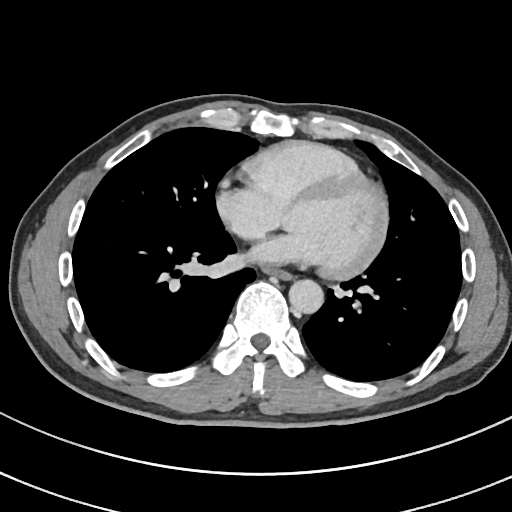

Abdominal CT; this slice is in the lower chest, just above the liver · axial plane, index 197 · soft-tissue window (W 400 / L 40) · SOMATOM Force scanner
No part of the heart or lungs is labeled in this dataset, so neither has a box here.
Box edges are left/top/right/bottom in pixels.
esophagus: left=263, top=266, right=291, bottom=278
aorta: left=288, top=279, right=323, bottom=313